Abdominal CT — axial view — abdomen soft-tissue window — 15 organs annotated in this scan (that count is for the whole scan; organs this slice misses have no box)
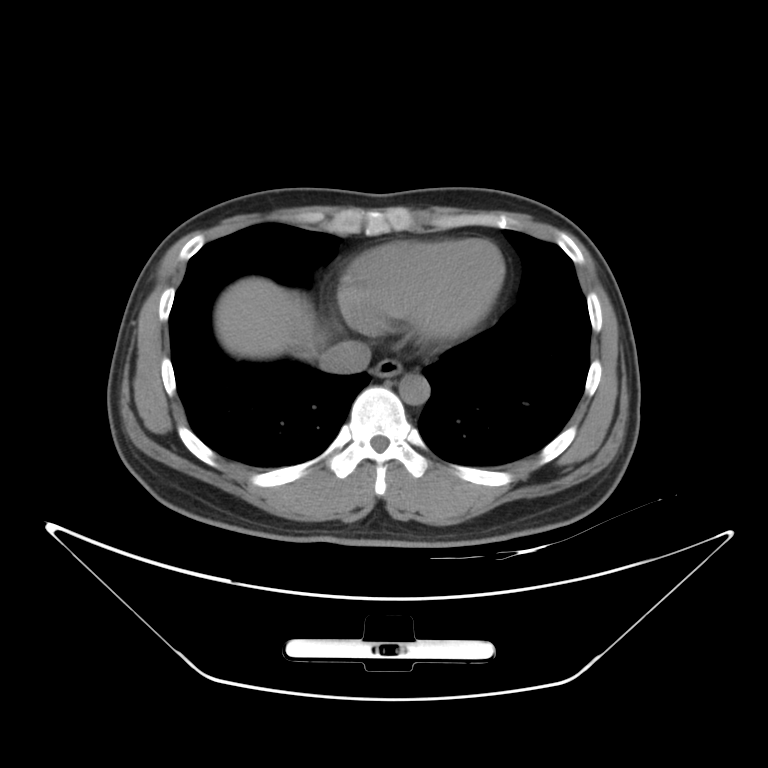

Boxes: x1:y1:x2:y2 in pixels. Labeled organs on this slice: esophagus at 372:358:402:377, liver at 214:278:318:358, aorta at 399:373:429:404, inferior vena cava at 320:341:371:373.